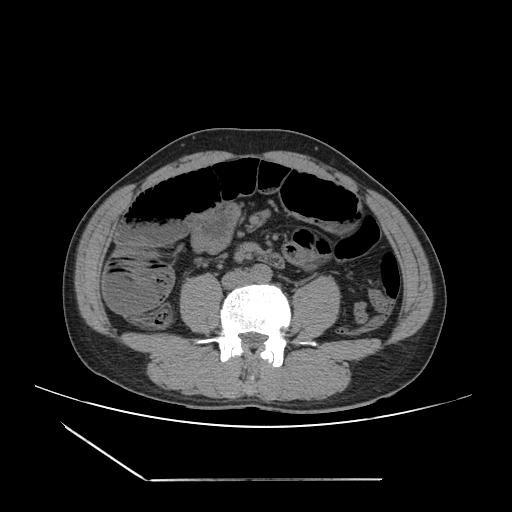
Abdominal CT · axial view
{"organs":{"inferior vena cava":[222,269,250,288],"aorta":[251,264,272,282]}}